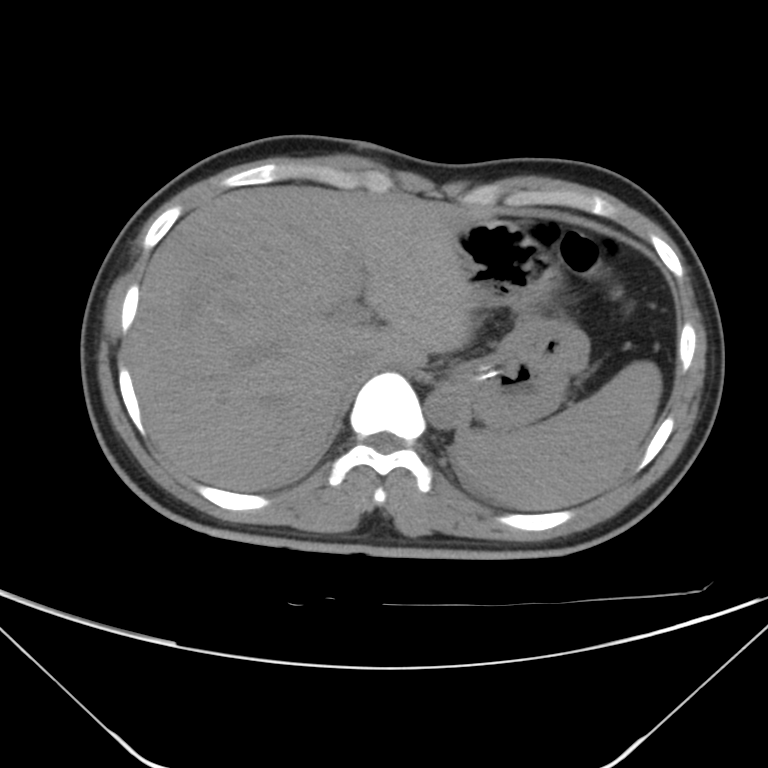

Abdominal CT · axial view · soft-tissue window (W 400 / L 40) · 24-year-old male patient · scan has 15 labeled organs (a whole-scan count: organs this slice does not pass through have no box)
Each box given as x1,y1,x2,y2. Labeled organs on this slice: spleen at x1=457, y1=361, x2=661, y2=510, aorta at x1=425, y1=387, x2=466, y2=429, inferior vena cava at x1=337, y1=355, x2=380, y2=390, liver at x1=127, y1=185, x2=476, y2=490, stomach at x1=449, y1=220, x2=590, y2=432.